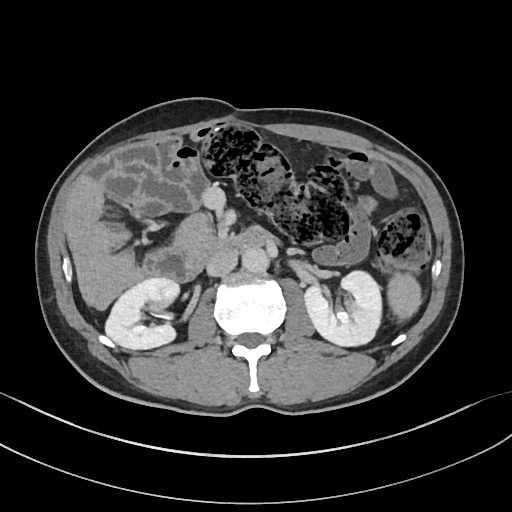

CT, abdomen/pelvis — axial plane, index 151 — 512x512 px — SOMATOM Force scanner — 14 organs annotated in this scan (that count is for the whole scan; organs this slice misses have no box)
Each box given as x1,y1,x2,y2.
Organ bounding boxes:
- left kidney: x1=304, y1=270, x2=381, y2=346
- aorta: x1=242, y1=247, x2=269, y2=273
- right kidney: x1=105, y1=278, x2=179, y2=349
- pancreas: x1=175, y1=214, x2=213, y2=250
- spleen: x1=387, y1=273, x2=421, y2=320
- duodenum: x1=143, y1=226, x2=267, y2=282
- inferior vena cava: x1=206, y1=251, x2=237, y2=276